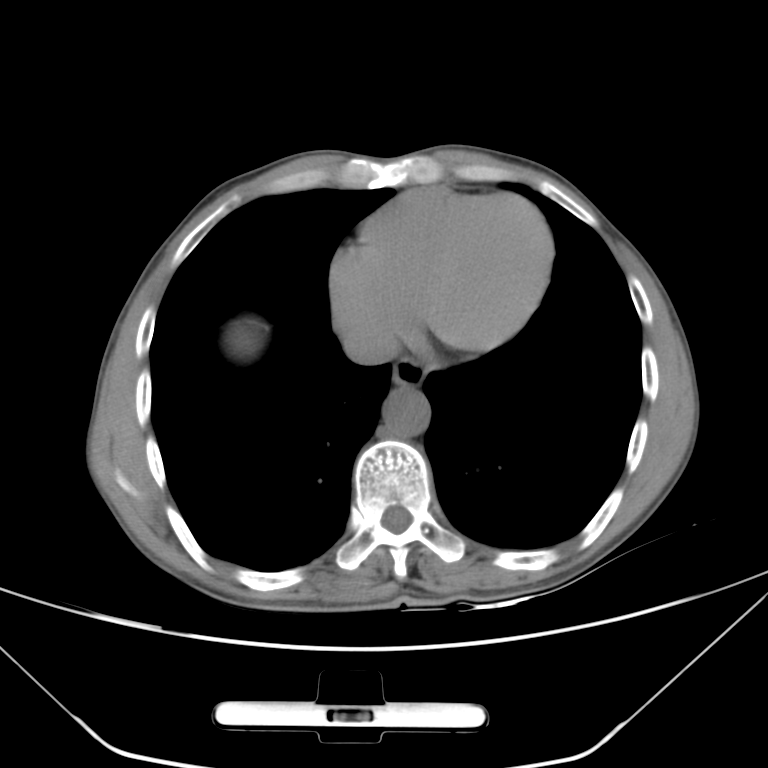
CT abdomen — axial view — soft-tissue window (W 400 / L 40)
Bounding boxes as [x1, y1, x2, y2] in pixel coordinates. Labeled organs on this slice: liver at [226, 320, 261, 356], inferior vena cava at [342, 324, 400, 365], aorta at [382, 387, 430, 437], esophagus at [392, 359, 427, 388].